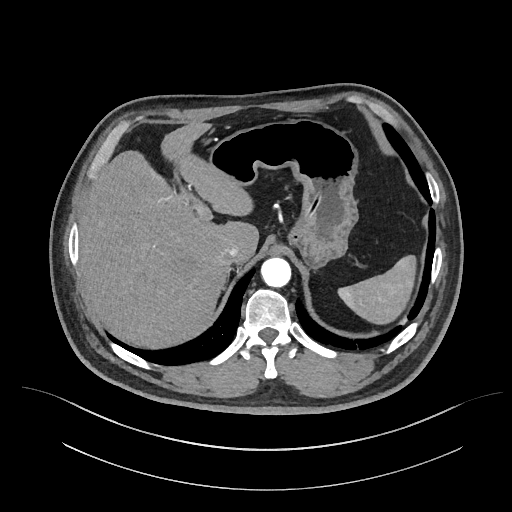

CT, abdomen/pelvis · axial plane, index 203
Boxes: x1 y1 x2 y2 (pixel coords, space-separated). Labeled organs on this slice: spleen at 336 255 416 323, liver at 79 121 258 347, stomach at 209 118 358 268, aorta at 261 258 291 287, inferior vena cava at 221 244 239 262.